Abdominal CT; axial plane, index 74; 768x768 px
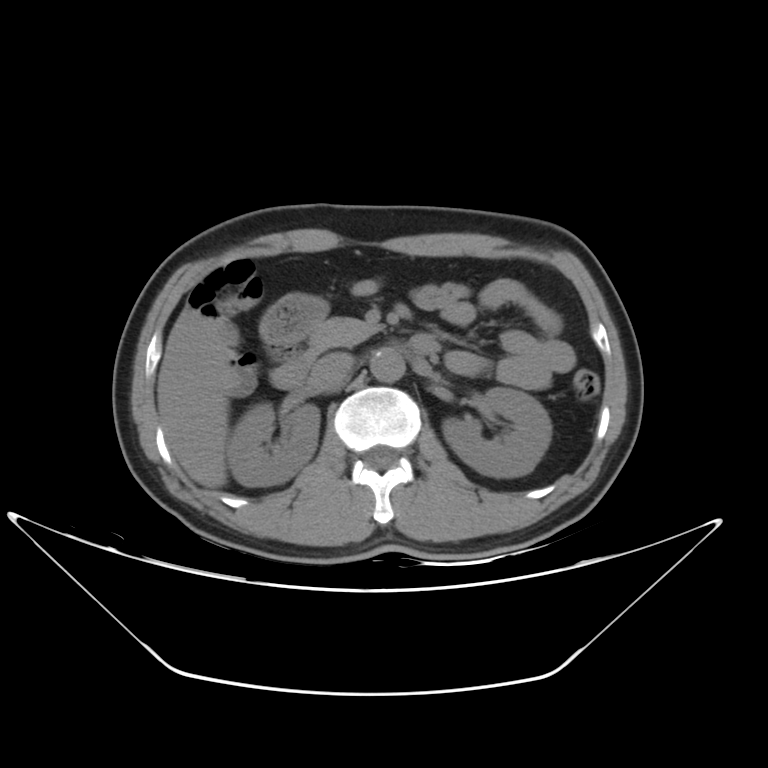

Bounding boxes as [x1, y1, x2, y2] in pixel coordinates.
right kidney: [228, 404, 319, 486]
left kidney: [444, 389, 549, 475]
liver: [156, 306, 228, 487]
aorta: [370, 347, 405, 382]
inferior vena cava: [310, 352, 353, 387]
pancreas: [310, 319, 386, 346]
duodenum: [270, 334, 441, 388]